CT abdomen · axial view · 512x512 px
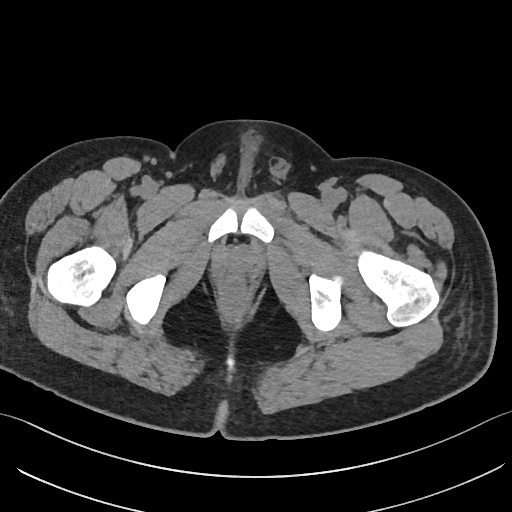 Boxes are (x1, y1, x2, y2) in pixels.
prostate/uterus: (221, 251, 254, 276)